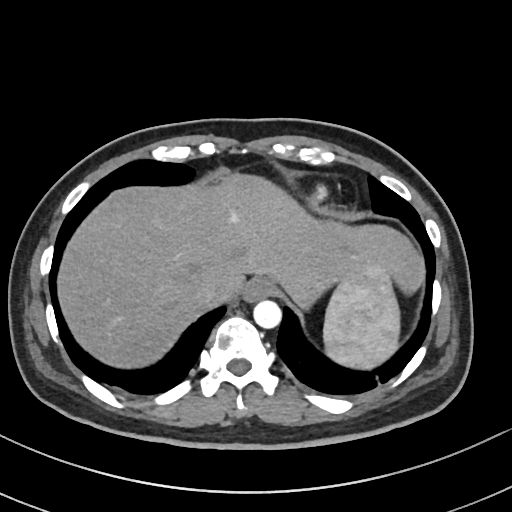

Computed tomography, abdomen — axial view — soft-tissue window (W 400 / L 40) — 512x512 px
{"organs":{"spleen":[324,266,400,369],"esophagus":[240,279,275,303],"liver":[57,176,420,366],"aorta":[253,300,281,329],"inferior vena cava":[189,277,228,305]}}